Chest-level slice from an abdominal CT that extends up into the chest — axial view
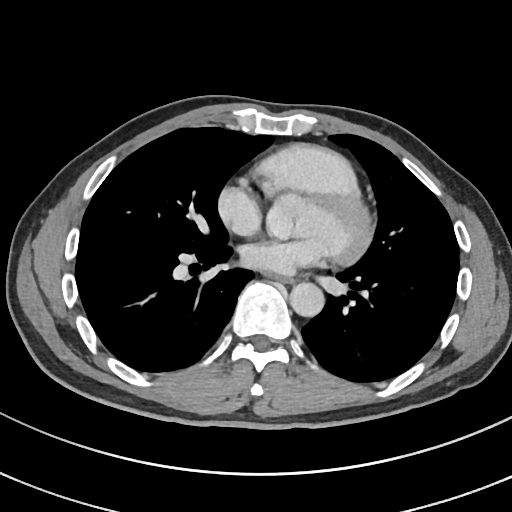
At this level of the chest this dataset labels only the esophagus and the aorta, and each is boxed only where it is labeled; the heart and lungs are never labeled. Each box given as x1,y1,x2,y2. Labeled organs on this slice: aorta at x1=289, y1=282, x2=324, y2=316, esophagus at x1=270, y1=274, x2=291, y2=282.